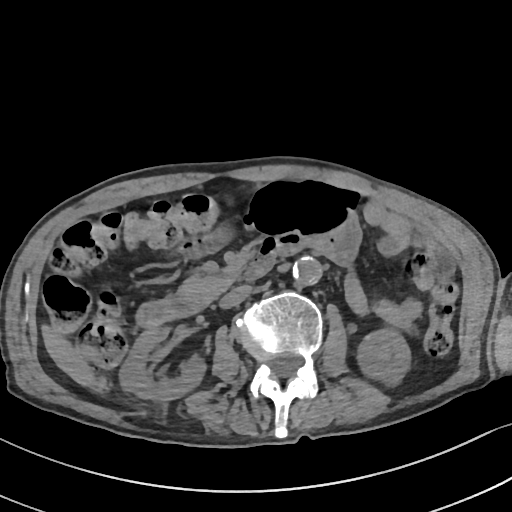 Computed tomography, abdomen · axial plane, index 123 · 15 organs annotated in this scan (a whole-scan count: organs this slice does not pass through have no box)
{"organs":{"right kidney":[119,328,207,402],"left kidney":[356,328,411,385],"liver":[41,322,98,387],"aorta":[291,257,321,286],"inferior vena cava":[218,285,250,308],"pancreas":[177,274,241,308],"duodenum":[134,239,297,329]}}